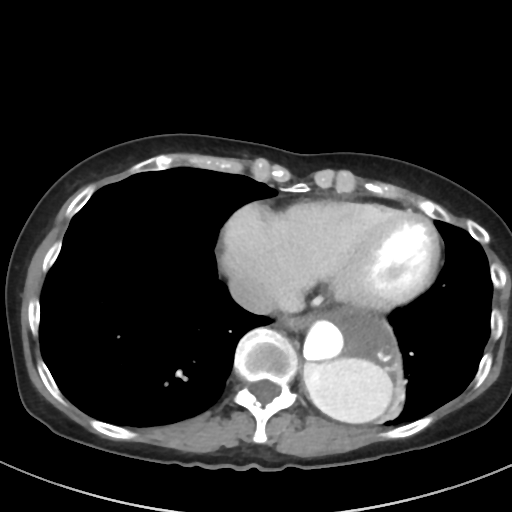 Lower-chest slice from an abdominal CT, just above the liver and spleen — Axial slice 73/116 — soft-tissue window (W 400 / L 40) — 512x512 px — acquired on SOMATOM Force — 15 organs annotated in this scan (a whole-scan count: organs this slice does not pass through have no box)
Of the structures in the chest, this dataset labels only the esophagus, the aorta and the inferior vena cava; the heart and lungs have no label.
Organ boxes in pixel coordinates; each row gives the top-left (x1, y1) and bottom-right (x2, y2) corners.
| organ | x1 | y1 | x2 | y2 |
|---|---|---|---|---|
| esophagus | 279 | 315 | 311 | 331 |
| aorta | 300 | 308 | 401 | 428 |
| inferior vena cava | 228 | 274 | 278 | 314 |